Abdominal CT. Axial slice 44/191. W/L 400/40 HU
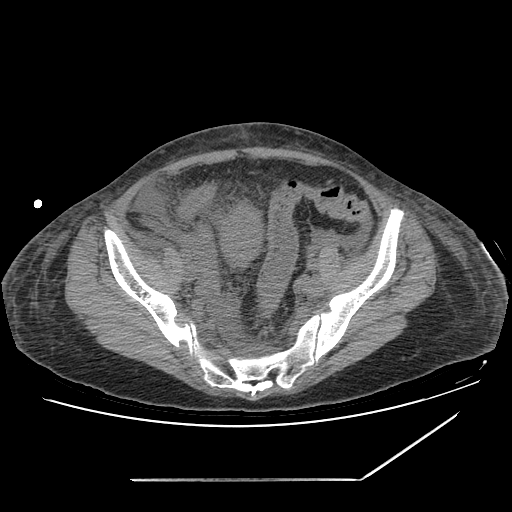 Organ boxes in pixel coordinates; each row gives the top-left (x1, y1) and bottom-right (x2, y2) corners.
| organ | x1 | y1 | x2 | y2 |
|---|---|---|---|---|
| prostate/uterus | 221 | 205 | 263 | 266 |